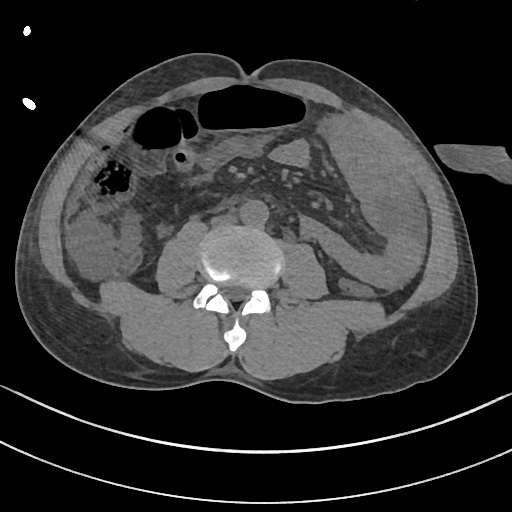
Computed tomography, abdomen · axial view · soft-tissue window · 512x512 px
Coordinates as <box>x1,y1,x2,y2</box> in pixels.
Organ bounding boxes:
- aorta: <box>240,200,269,226</box>
- inferior vena cava: <box>211,214,236,226</box>